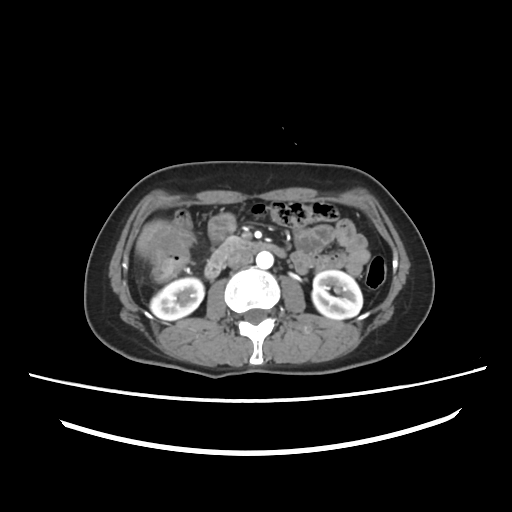

Abdominal CT. axial view. soft-tissue window (W 400 / L 40). 512x512 px. 45-year-old female patient
{"organs":{"right kidney":[150,277,204,320],"left kidney":[312,270,362,319],"aorta":[256,251,273,269],"inferior vena cava":[227,250,253,268],"duodenum":[204,237,285,278]}}